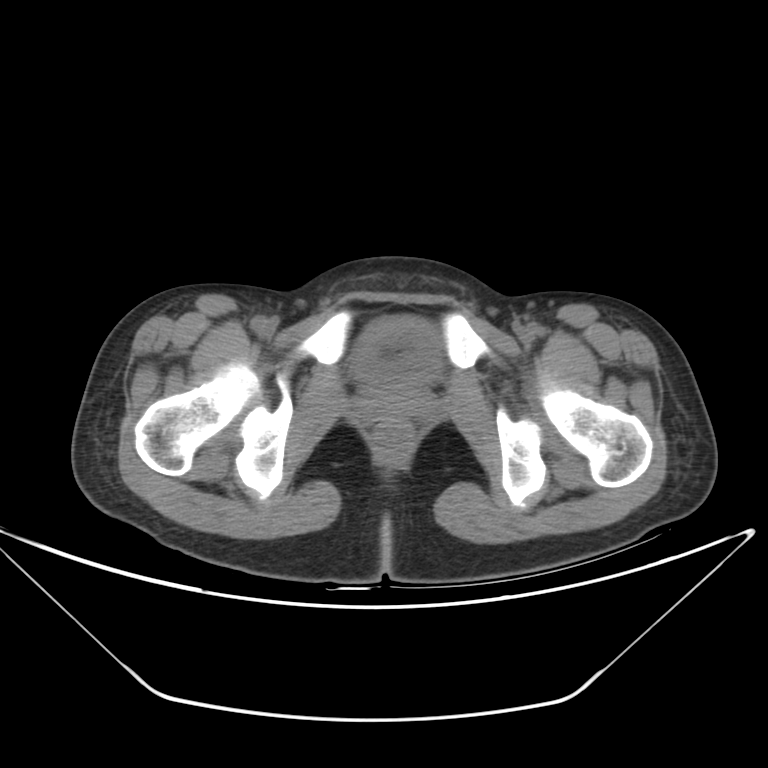

Abdominal CT · axial view · 768x768 px · 15 organs annotated in this scan (that count is for the whole scan; organs this slice misses have no box)
<organs><organ name="bladder" x1="350" y1="315" x2="441" y2="384"/><organ name="prostate/uterus" x1="355" y1="385" x2="432" y2="419"/></organs>